CT abdomen — axial plane, index 77 — W/L 400/40 HU
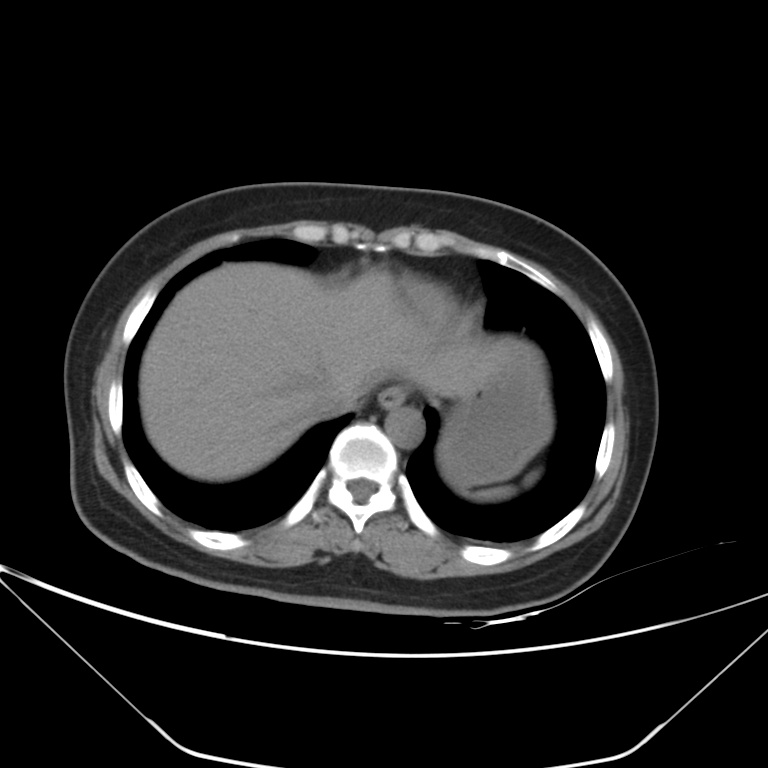 {"organs":{"spleen":[472,486,512,499],"esophagus":[378,386,407,408],"stomach":[439,342,551,487],"liver":[140,263,507,481],"aorta":[386,406,424,448],"inferior vena cava":[310,396,355,418]}}